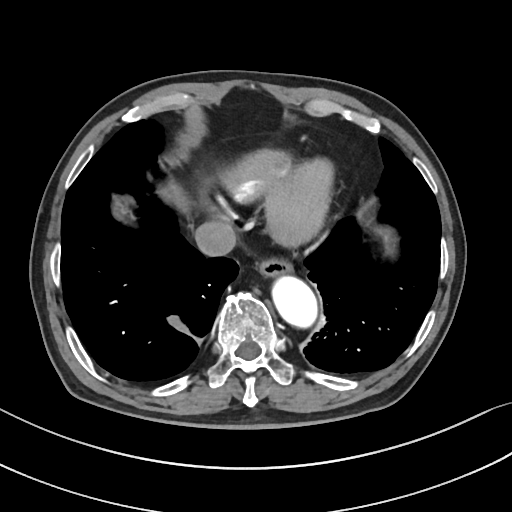 CT abdomen; axial view; 15 organs annotated in this scan (that count is for the whole scan; organs this slice misses have no box)
{"organs":{"inferior vena cava":[194,221,236,255],"liver":[164,184,186,206],"aorta":[272,276,316,327],"esophagus":[258,257,292,277]}}